Abdominal CT · axial view
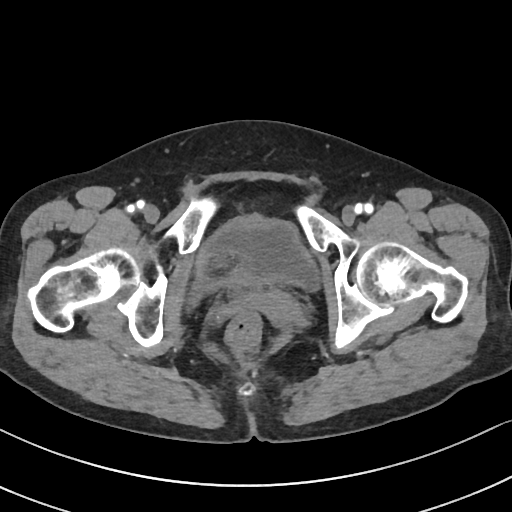

<organs><organ name="bladder" x1="184" y1="215" x2="321" y2="311"/></organs>